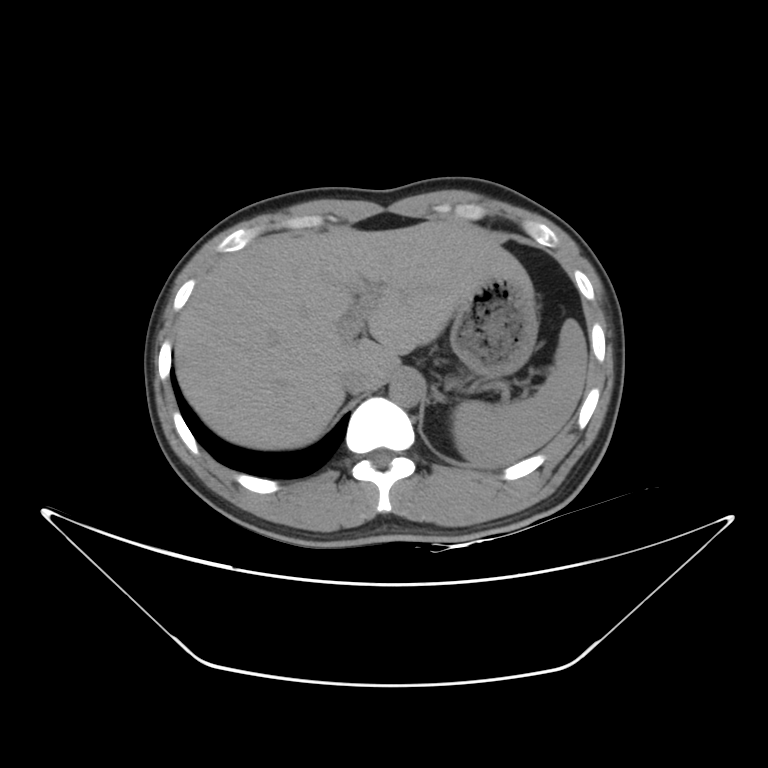
Computed tomography, abdomen. axial plane, index 80. W/L 400/40 HU. 768x768 px. 37-year-old male patient
Boxes are (x1, y1, x2, y2) in pixels. 6 labeled organs on this slice — spleen at (452, 318, 588, 467); liver at (175, 220, 532, 450); stomach at (450, 275, 538, 378); aorta at (390, 374, 423, 406); inferior vena cava at (339, 368, 368, 393); left adrenal gland at (434, 394, 437, 401).